Abdominal CT — Axial slice 107/206 — SOMATOM Force scanner — scan has 15 labeled organs (that count is for the whole scan; organs this slice misses have no box)
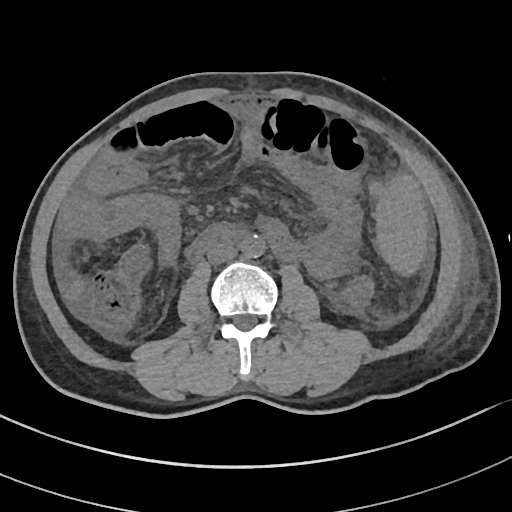

Box edges are left/top/right/bottom in pixels.
Organ bounding boxes:
- spleen: left=375, top=176, right=427, bottom=275
- aorta: left=240, top=234, right=265, bottom=258
- inferior vena cava: left=207, top=243, right=236, bottom=264
- duodenum: left=187, top=224, right=246, bottom=260